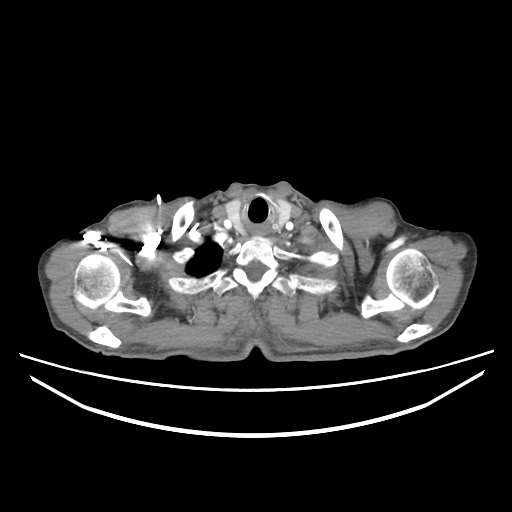
Chest-level slice from an abdominal CT that extends up into the chest; axial view; soft-tissue window (W 400 / L 40); 512x512 px; 50-year-old male patient
At this level of the chest this dataset labels only the esophagus and the aorta, and each is boxed only where it is labeled; the heart and lungs are never labeled.
{"organs":{"esophagus":[251,226,267,235]}}